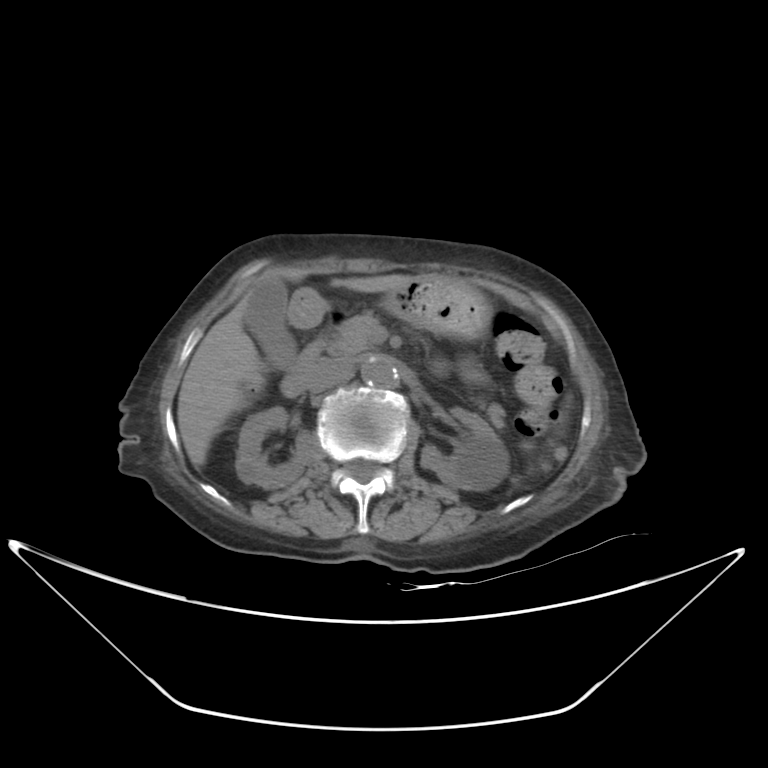

Abdominal CT · axial view · 768x768 px · Brilliance16 scanner
Coordinates as <box>x1,y1,x2,y2</box> in pixels.
Organ bounding boxes:
- right kidney: <box>236,406,314,488</box>
- left kidney: <box>420,407,509,491</box>
- gall bladder: <box>243,275,296,369</box>
- liver: <box>177,267,418,466</box>
- stomach: <box>289,275,491,339</box>
- aorta: <box>362,356,397,387</box>
- inferior vena cava: <box>308,361,353,393</box>
- pancreas: <box>326,311,505,427</box>
- duodenum: <box>280,318,342,397</box>